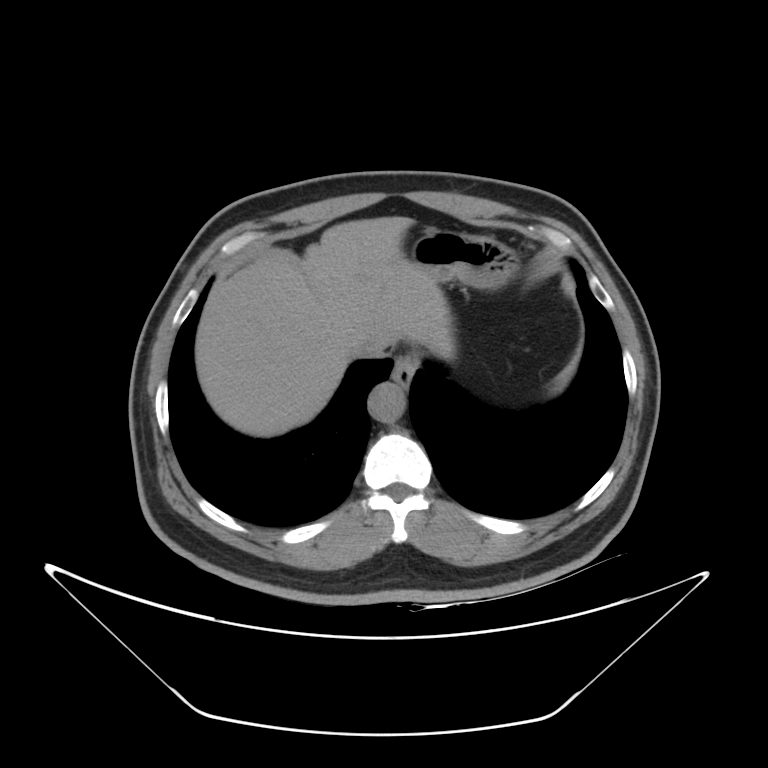

CT, abdomen/pelvis — axial view — soft-tissue window — 768x768 px — Brilliance16 scanner
<organs><organ name="inferior vena cava" x1="353" y1="340" x2="385" y2="357"/><organ name="aorta" x1="368" y1="382" x2="405" y2="422"/><organ name="stomach" x1="411" y1="227" x2="519" y2="289"/><organ name="liver" x1="194" y1="216" x2="455" y2="437"/><organ name="esophagus" x1="391" y1="355" x2="418" y2="388"/></organs>